Computed tomography, abdomen. axial plane, index 126. abdomen soft-tissue window. 512x512 px. acquired on SOMATOM Force. 15 organs annotated in this scan (that count is for the whole scan; organs this slice misses have no box)
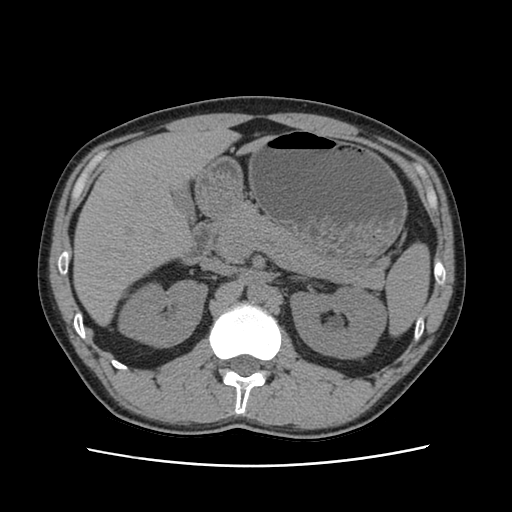 {"organs":{"spleen":[386,242,430,336],"right kidney":[118,280,207,346],"left kidney":[290,287,386,358],"gall bladder":[172,186,195,222],"liver":[73,129,270,326],"stomach":[196,130,406,268],"aorta":[247,280,270,303],"inferior vena cava":[201,258,236,275],"pancreas":[212,202,385,289],"left adrenal gland":[292,275,306,280],"duodenum":[181,222,213,264]}}